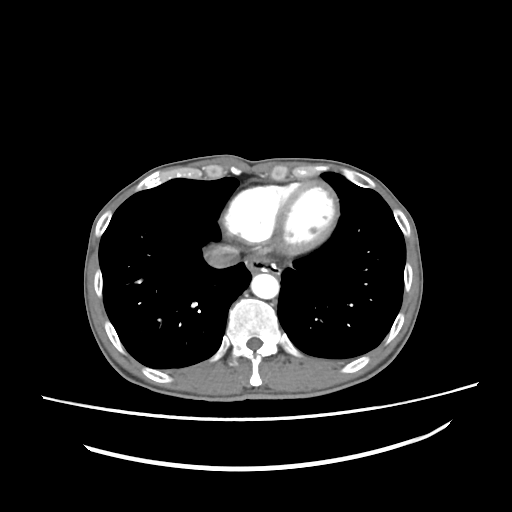

CT of the abdomen reaching into the lower chest, slice just above the liver and spleen. axial view. 512x512 px. 50-year-old male patient. scan has 14 labeled organs (counted over the whole 3D scan, not this slice; an organ is boxed only where this slice passes through it)
Of the structures in the chest, this dataset labels only the esophagus, the aorta and the inferior vena cava; the heart and lungs have no label.
Bounding boxes as [x1, y1, x2, y2] in pixel coordinates.
esophagus: [245, 255, 276, 273]
aorta: [251, 272, 279, 299]
inferior vena cava: [204, 244, 239, 268]